CT abdomen — axial plane, index 39 — 15 organs annotated in this scan (that count is for the whole scan; organs this slice misses have no box)
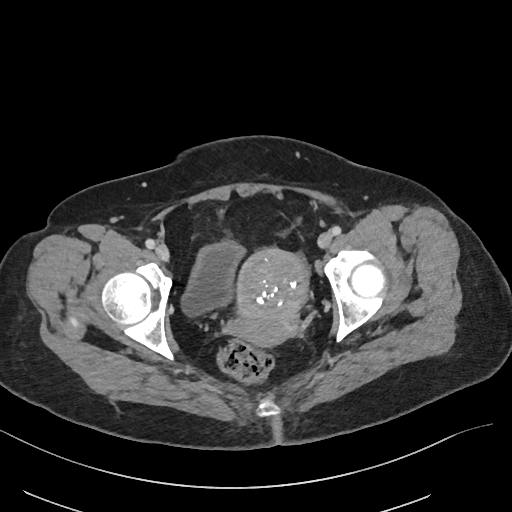

Bounding boxes as [x1, y1, x2, y2] in pixel coordinates. Labeled organs on this slice: prostate/uterus at [229, 249, 310, 345], bladder at [180, 239, 246, 318].